CT abdomen · Axial slice 67/126 · soft-tissue window · 15 organs annotated in this scan (counted over the whole 3D scan, not this slice; an organ is boxed only where this slice passes through it)
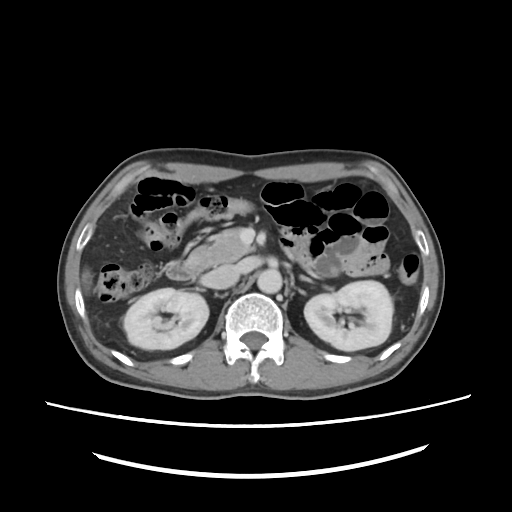
Coordinates as <box>x1,y1,x2,y2</box> in pixels.
right kidney: <box>122,288,208,350</box>
left kidney: <box>303,279,392,350</box>
liver: <box>82,272,89,283</box>
aorta: <box>257,269,281,293</box>
inferior vena cava: <box>207,265,239,289</box>
pancreas: <box>201,228,250,264</box>
left adrenal gland: <box>299,274,314,283</box>
duodenum: <box>166,249,209,281</box>